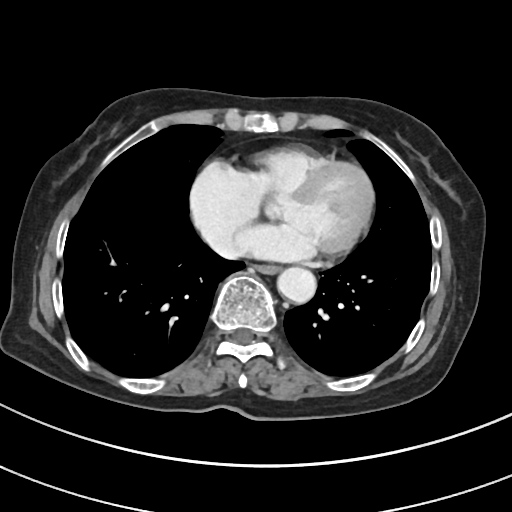

CT of the abdomen reaching into the lower chest, slice just above the liver and spleen · axial plane, index 196 · soft-tissue window, W/L 400/40 · 512x512 px · SOMATOM Force scanner
Of the structures in the chest, this dataset labels only the esophagus, the aorta and the inferior vena cava; the heart and lungs have no label.
Bounding boxes in pixels, one row per box: x1, y1 is the top-left corner and x2, y2 the bottom-right.
| organ | x1 | y1 | x2 | y2 |
|---|---|---|---|---|
| esophagus | 255 | 264 | 278 | 273 |
| aorta | 276 | 266 | 315 | 302 |